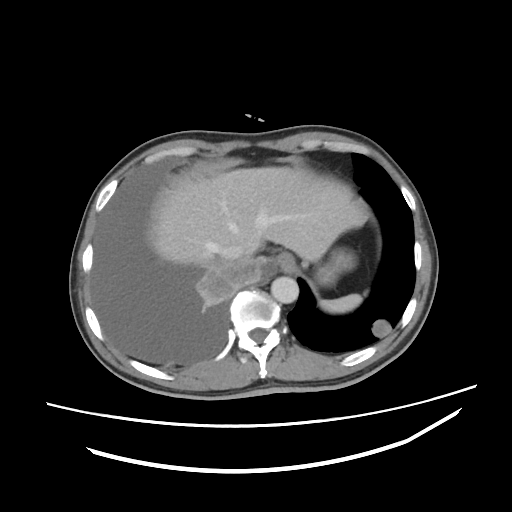 Computed tomography, abdomen. axial view. abdomen soft-tissue window. 49-year-old male patient
<organs><organ name="spleen" x1="319" y1="294" x2="362" y2="313"/><organ name="esophagus" x1="273" y1="252" x2="295" y2="272"/><organ name="liver" x1="154" y1="166" x2="367" y2="263"/><organ name="stomach" x1="316" y1="248" x2="355" y2="285"/><organ name="aorta" x1="271" y1="276" x2="298" y2="303"/><organ name="inferior vena cava" x1="220" y1="245" x2="244" y2="260"/></organs>